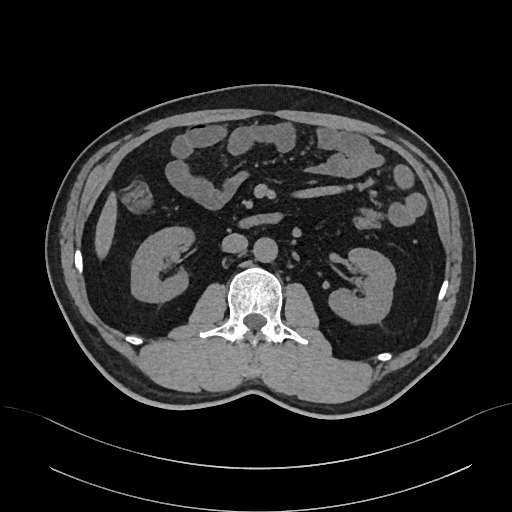

Abdominal CT — axial view — soft-tissue window — 15 organs annotated in this scan (that count is for the whole scan; organs this slice misses have no box)
Bounding boxes as [x1, y1, x2, y2] in pixel coordinates. 6 labeled organs on this slice — right kidney at [131, 227, 194, 302]; left kidney at [328, 248, 395, 323]; liver at [94, 192, 116, 258]; aorta at [253, 237, 277, 262]; inferior vena cava at [222, 233, 247, 253]; duodenum at [240, 213, 281, 227].